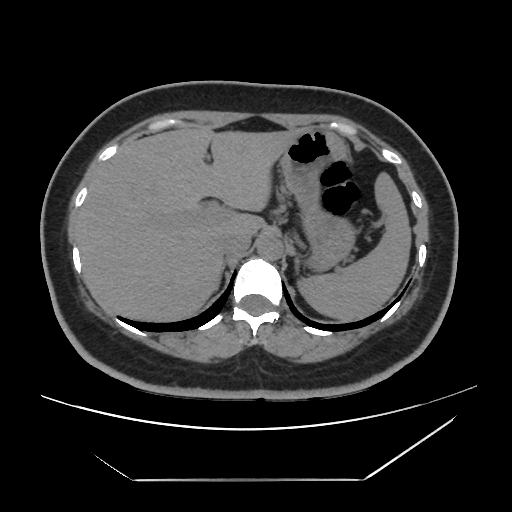

Computed tomography, abdomen — axial view — soft-tissue window — SOMATOM Force scanner
One row per box, in pixels: columns x1 and y1 give the top-left corner, x2 and y2 the bottom-right.
| organ | x1 | y1 | x2 | y2 |
|---|---|---|---|---|
| spleen | 301 | 173 | 411 | 321 |
| liver | 77 | 128 | 296 | 322 |
| stomach | 280 | 127 | 352 | 268 |
| aorta | 257 | 234 | 283 | 260 |
| inferior vena cava | 218 | 231 | 251 | 254 |
| right adrenal gland | 221 | 259 | 227 | 275 |
| left adrenal gland | 293 | 254 | 297 | 275 |